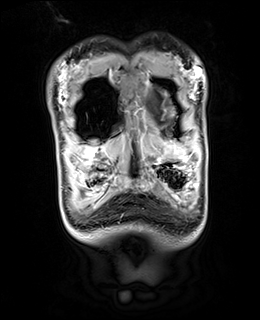 Abdominal MRI — coronal view
<organs><organ name="liver" x1="88" y1="144" x2="117" y2="155"/><organ name="stomach" x1="159" y1="145" x2="188" y2="164"/></organs>